Computed tomography, abdomen — axial plane, index 83 — abdomen soft-tissue window — 512x512 px — 62-year-old female patient
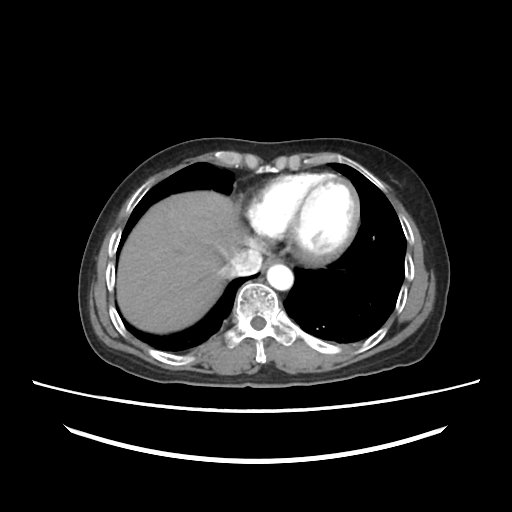

One row per box, in pixels: columns x1 and y1 give the top-left corner, x2 and y2 the bottom-right.
| organ | x1 | y1 | x2 | y2 |
|---|---|---|---|---|
| esophagus | 263 | 256 | 279 | 269 |
| liver | 117 | 191 | 242 | 333 |
| aorta | 267 | 264 | 293 | 290 |
| inferior vena cava | 227 | 249 | 262 | 277 |